CT, abdomen/pelvis; axial view; soft-tissue window (W 400 / L 40); 512x512 px; SOMATOM Force scanner
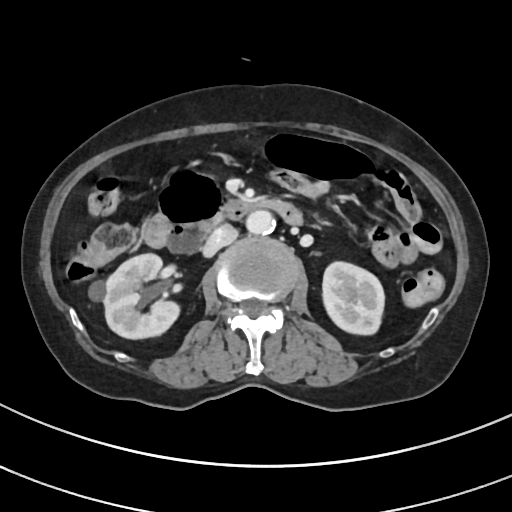 Bounding boxes as [x1, y1, x2, y2] in pixel coordinates.
Organ bounding boxes:
- right kidney: [89, 253, 179, 339]
- left kidney: [322, 261, 384, 334]
- aorta: [246, 211, 274, 234]
- inferior vena cava: [203, 224, 237, 256]
- duodenum: [144, 168, 302, 254]